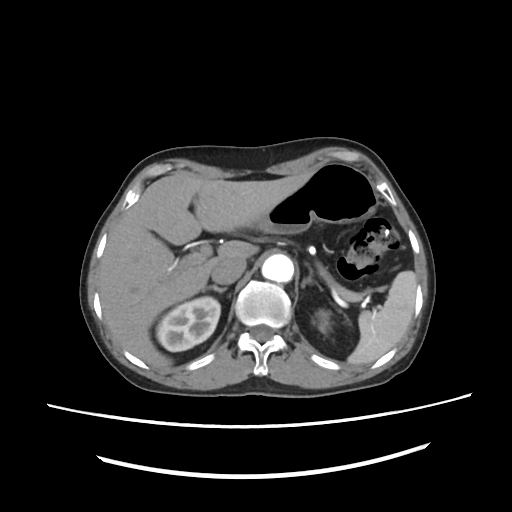
CT, abdomen/pelvis; axial view; soft-tissue window; 512x512 px
{"organs":{"left kidney":[310,309,334,333],"inferior vena cava":[211,259,246,283],"right adrenal gland":[207,286,227,293],"liver":[99,172,313,370],"left adrenal gland":[301,269,323,291],"stomach":[258,161,378,233],"spleen":[347,271,417,364],"right kidney":[155,296,219,352],"aorta":[262,255,294,283]}}